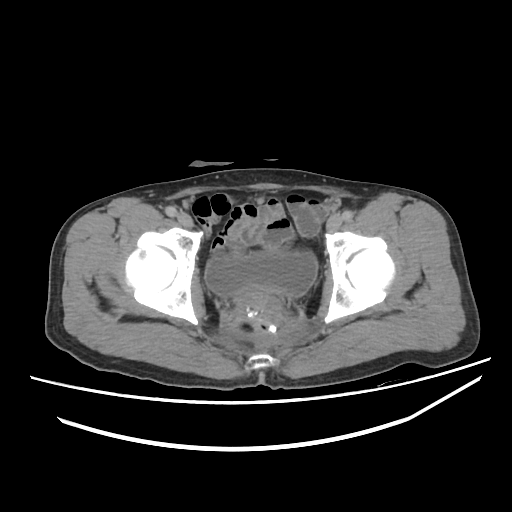 Computed tomography, abdomen; axial view; abdomen soft-tissue window; 15 organs annotated in this scan (a whole-scan count: organs this slice does not pass through have no box)
Bounding boxes as [x1, y1, x2, y2] in pixel coordinates.
bladder: [205, 252, 317, 297]
prostate/uterus: [239, 291, 272, 310]